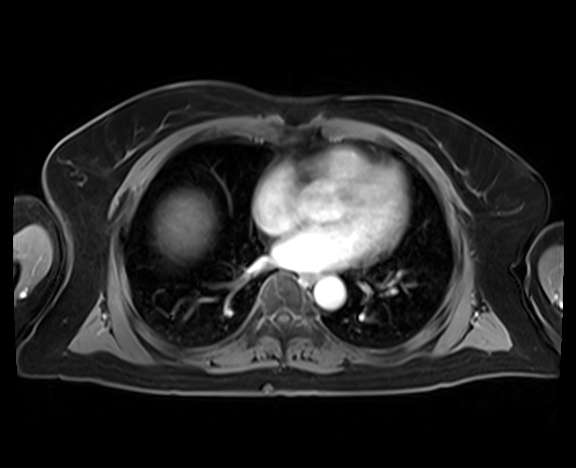 MRI, abdomen — axial view — 576x468 px — 13 organs annotated in this scan (a whole-scan count: organs this slice does not pass through have no box)
Box edges are left/top/right/bottom in pixels.
esophagus: left=302, top=273, right=317, bottom=284
liver: left=156, top=193, right=212, bottom=257
aorta: left=314, top=277, right=345, bottom=309